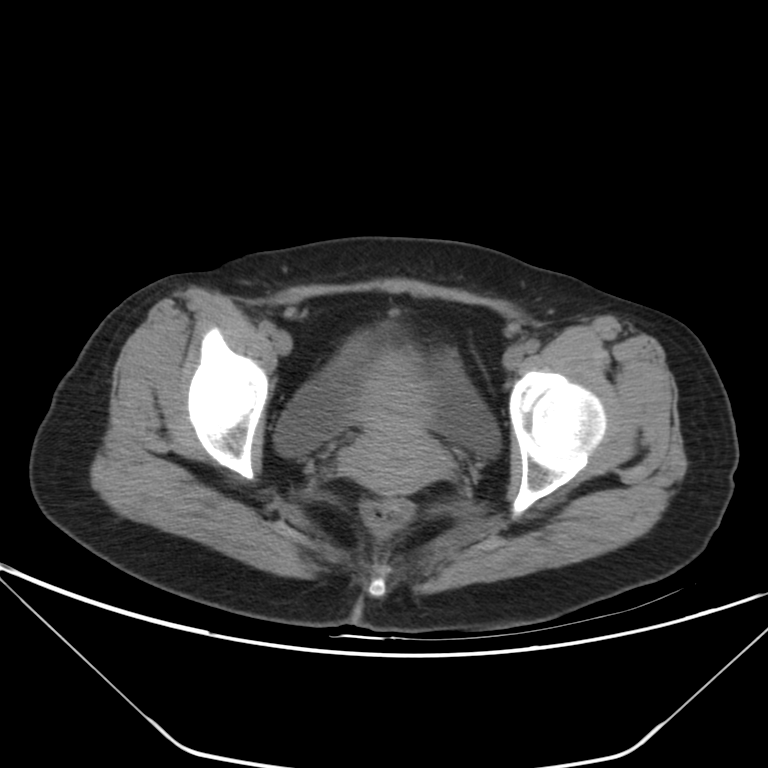 Computed tomography, abdomen; axial view
Boxes: x1:y1:x2:y2 in pixels. 2 labeled organs on this slice — bladder at 274:332:499:457; prostate/uterus at 340:348:451:493.